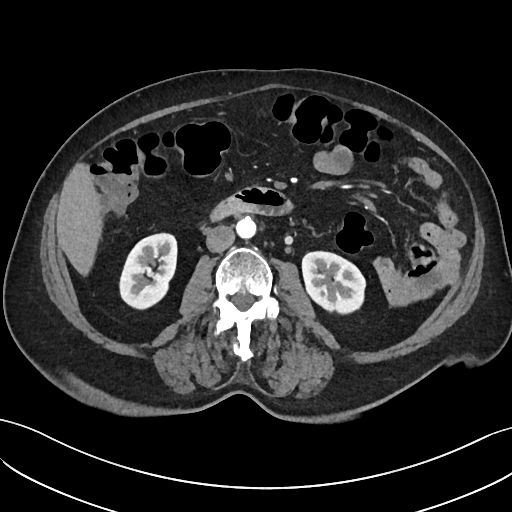 CT abdomen · axial view · abdomen soft-tissue window · 512x512 px · acquired on SOMATOM Force
Bounding boxes as [x1, y1, x2, y2] in pixel coordinates.
right kidney: [120, 233, 176, 307]
left kidney: [302, 251, 364, 311]
liver: [56, 166, 98, 272]
aorta: [236, 216, 256, 238]
inferior vena cava: [206, 225, 235, 252]
duodenum: [211, 186, 289, 220]